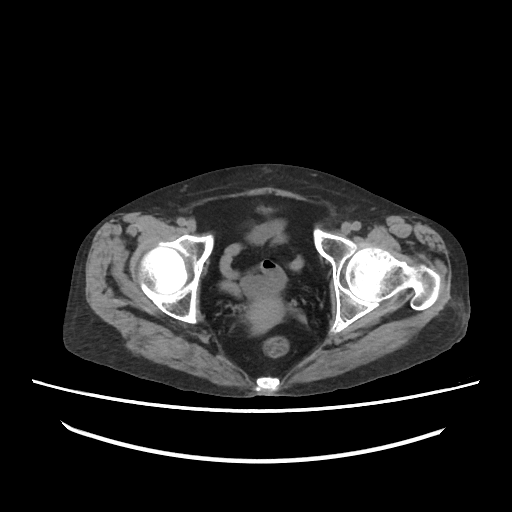 CT, abdomen/pelvis — axial view — soft-tissue window
Each box given as x1,y1,x2,y2. 1 labeled organ on this slice — prostate/uterus at x1=246, y1=297, x2=284, y2=333.